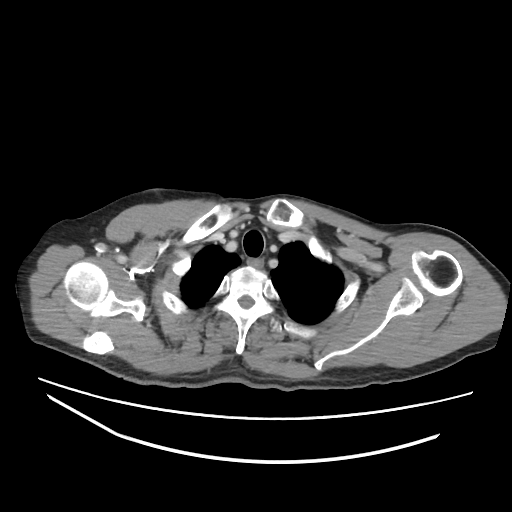 Chest-level slice from an abdominal CT that extends up into the chest · axial view
At this level of the chest no structure but the esophagus and the aorta has a label in this dataset, and those two are boxed only where they are labeled.
Each box given as x1,y1,x2,y2.
esophagus: x1=249, y1=257, x2=264, y2=268